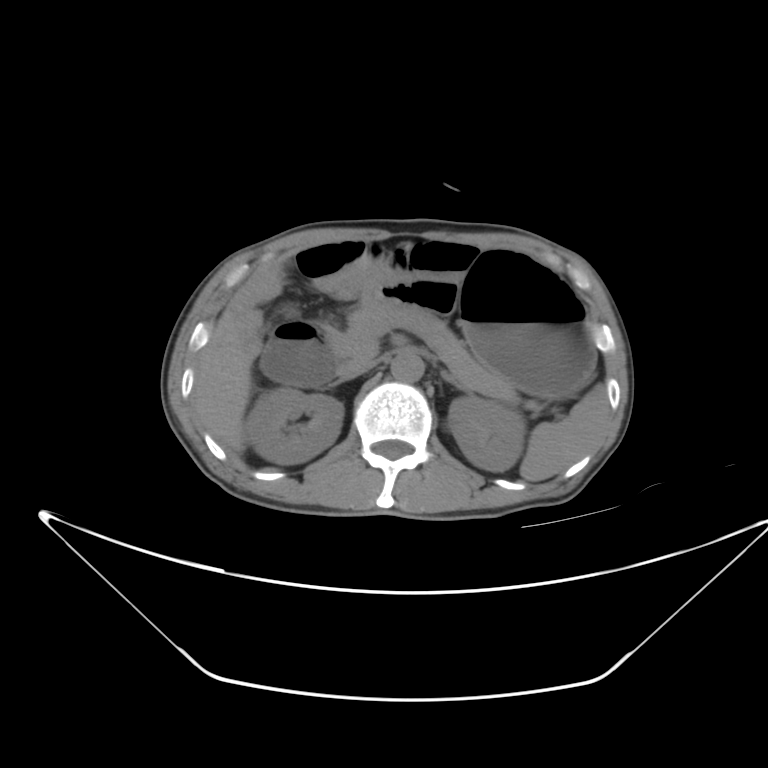 CT, abdomen/pelvis · axial view · soft-tissue window (W 400 / L 40) · 768x768 px
Bounding boxes as [x1, y1, x2, y2] in pixel coordinates.
spleen: [520, 383, 607, 479]
right kidney: [246, 389, 342, 462]
left kidney: [448, 392, 525, 472]
liver: [195, 305, 252, 453]
stomach: [360, 250, 597, 394]
aorta: [391, 353, 425, 382]
inferior vena cava: [345, 358, 380, 378]
pancreas: [339, 307, 522, 406]
left adrenal gland: [443, 371, 469, 393]
duodenum: [262, 322, 345, 389]